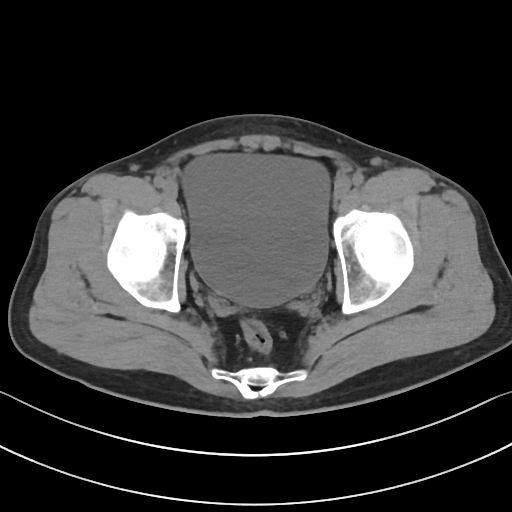
Abdominal CT · axial view · scan has 15 labeled organs (that count is for the whole scan; organs this slice misses have no box)
Each box given as x1,y1,x2,y2. Labeled organs on this slice: bladder at x1=184, y1=154, x2=328, y2=307.